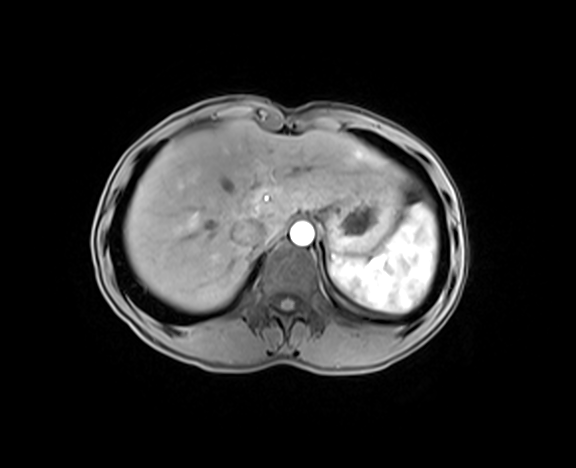
MRI, abdomen — axial view — Prisma scanner
Each box given as x1,y1,x2,y2.
Organ bounding boxes:
- spleen: x1=330, y1=203, x2=437, y2=313
- liver: x1=124, y1=120, x2=402, y2=311
- stomach: x1=324, y1=183, x2=402, y2=254
- aorta: x1=290, y1=222, x2=313, y2=245
- inferior vena cava: x1=231, y1=220, x2=266, y2=248